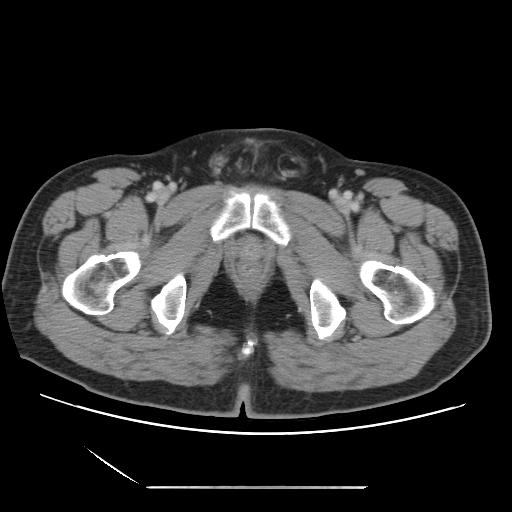
CT abdomen — axial view — scan has 15 labeled organs (a whole-scan count: organs this slice does not pass through have no box)
One row per box, in pixels: columns x1 and y1 give the top-left corner, x2 and y2 the bottom-right.
| organ | x1 | y1 | x2 | y2 |
|---|---|---|---|---|
| prostate/uterus | 241 | 239 | 259 | 258 |